CT abdomen. axial view. abdomen soft-tissue window. scan has 15 labeled organs (that count is for the whole scan; organs this slice misses have no box)
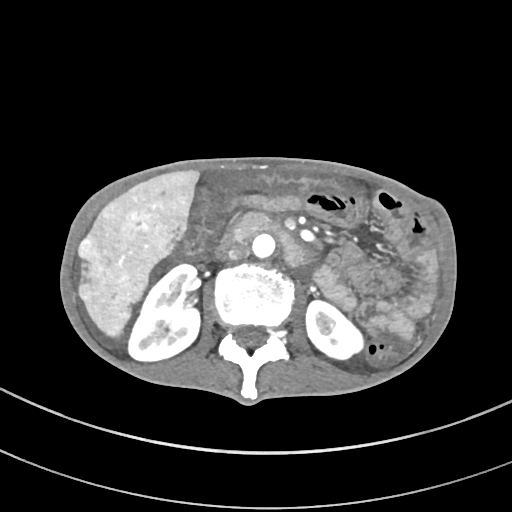

One row per box, in pixels: columns x1 and y1 give the top-left corner, x2 and y2 the bottom-right.
| organ | x1 | y1 | x2 | y2 |
|---|---|---|---|---|
| right kidney | 129 | 264 | 200 | 362 |
| liver | 77 | 170 | 199 | 339 |
| left kidney | 305 | 299 | 365 | 361 |
| inferior vena cava | 227 | 246 | 249 | 261 |
| duodenum | 229 | 211 | 316 | 267 |
| aorta | 252 | 234 | 277 | 260 |